CT abdomen · axial view
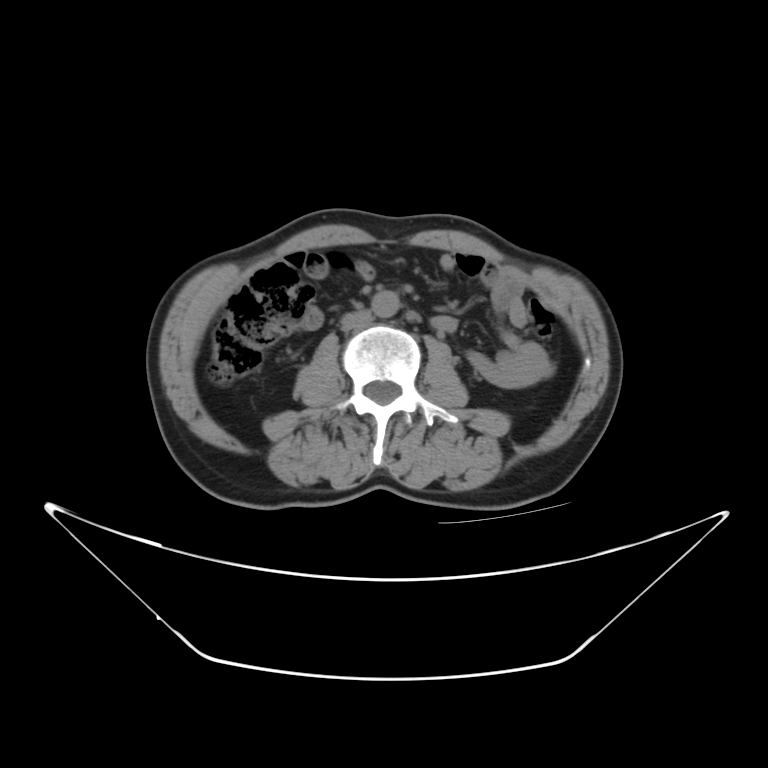

Boxes are (x1, y1, x2, y2) in pixels.
inferior vena cava: (341, 311, 374, 330)
aorta: (373, 289, 402, 317)